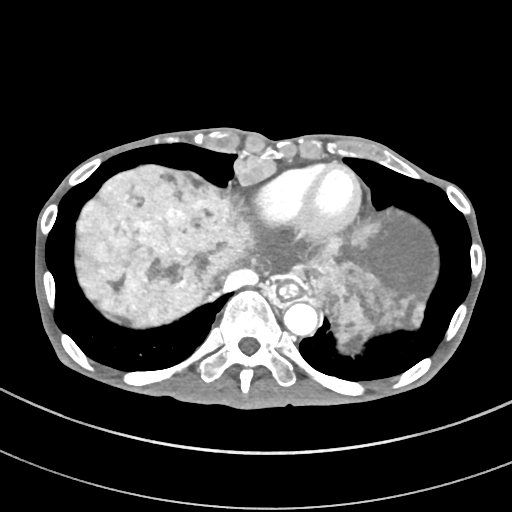

Abdominal CT — Axial slice 201/218
{"organs":{"esophagus":[278,280,296,301],"liver":[75,165,437,353],"aorta":[284,302,318,336],"inferior vena cava":[222,267,258,293]}}